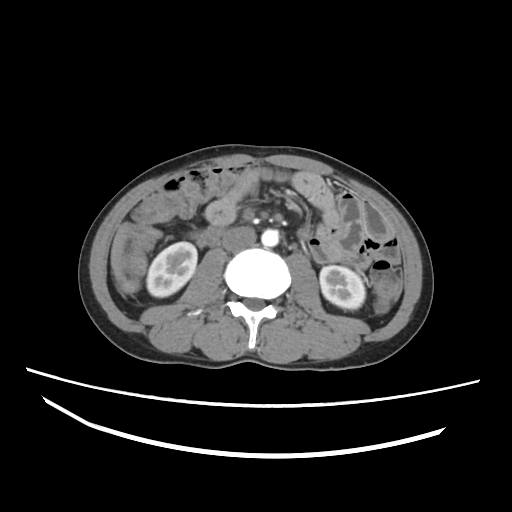
Computed tomography, abdomen. Axial slice 62/140. soft-tissue window (W 400 / L 40). 512x512 px
<organs><organ name="right kidney" x1="146" y1="241" x2="197" y2="297"/><organ name="left kidney" x1="320" y1="265" x2="364" y2="309"/><organ name="liver" x1="111" y1="224" x2="128" y2="279"/><organ name="aorta" x1="261" y1="229" x2="279" y2="246"/><organ name="inferior vena cava" x1="222" y1="226" x2="256" y2="250"/><organ name="duodenum" x1="198" y1="226" x2="222" y2="246"/></organs>